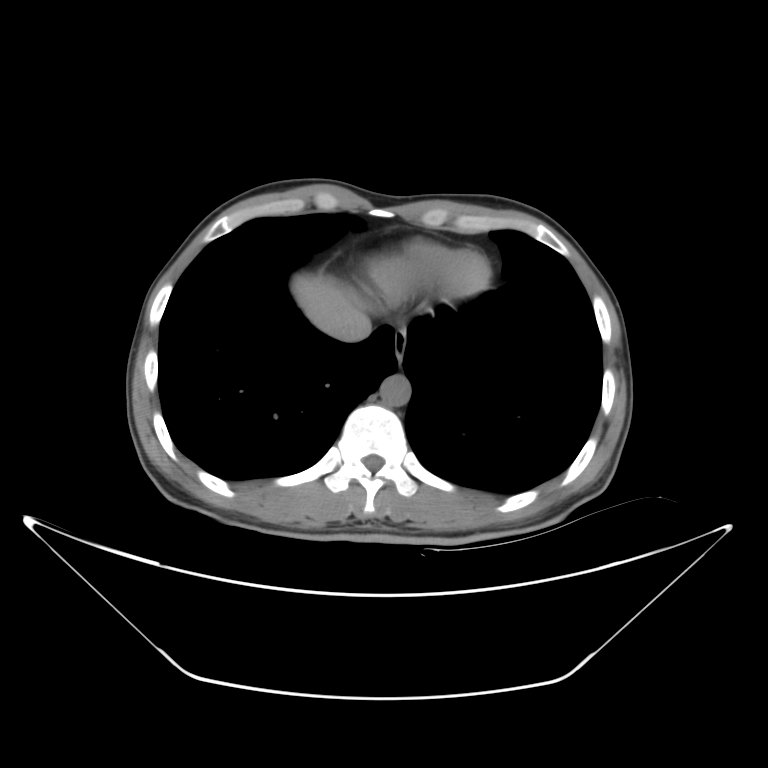 Abdominal CT; axial plane, index 83; 768x768 px
Bounding boxes as [x1, y1, x2, y2] in pixel coordinates.
Organ bounding boxes:
- esophagus: [394, 338, 406, 363]
- liver: [292, 258, 415, 329]
- aorta: [379, 374, 409, 406]
- inferior vena cava: [328, 313, 368, 340]